Computed tomography, abdomen. axial view. 62-year-old male patient
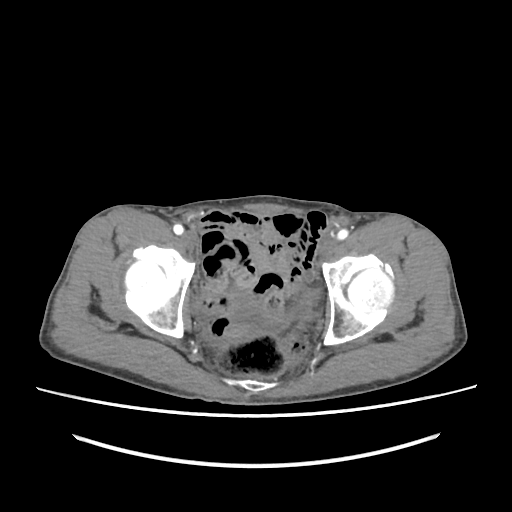

Boxes are (x1, y1, x2, y2) in pixels.
bladder: (231, 303, 287, 333)